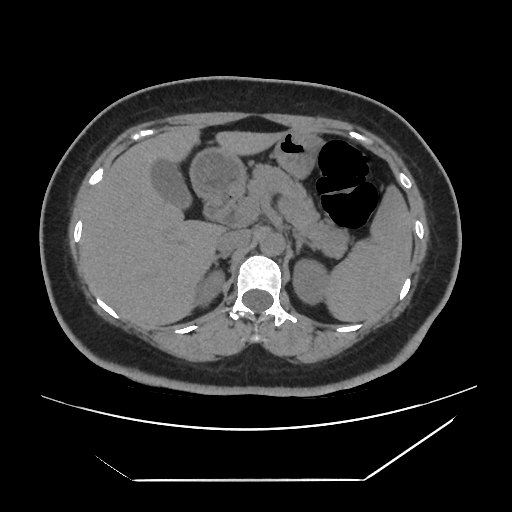
Abdominal CT; axial view; SOMATOM Force scanner
Each box given as x1,y1,x2,y2.
Organ bounding boxes:
- spleen: x1=328, y1=187, x2=412, y2=321
- right kidney: x1=193, y1=271, x2=224, y2=306
- left kidney: x1=292, y1=258, x2=331, y2=304
- gall bladder: x1=150, y1=156, x2=189, y2=207
- liver: x1=79, y1=125, x2=281, y2=326
- stomach: x1=189, y1=130, x2=319, y2=202
- aorta: x1=259, y1=230, x2=284, y2=255
- inferior vena cava: x1=215, y1=228, x2=250, y2=252
- pancreas: x1=246, y1=165, x2=351, y2=257
- right adrenal gland: x1=212, y1=253, x2=229, y2=261
- left adrenal gland: x1=293, y1=231, x2=314, y2=249
- duodenum: x1=202, y1=198, x2=234, y2=226